MRI, abdomen · Coronal slice 106/144 · 1st–99th percentile window
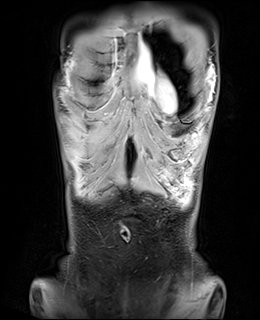

{"organs":{"stomach":[161,175,179,188]}}